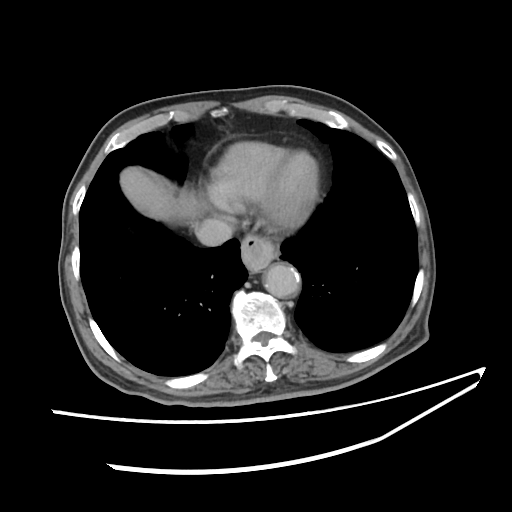
CT, abdomen/pelvis — Axial slice 86/91 — 83-year-old male patient — acquired on Aquilion ONE
{"organs":{"esophagus":[241,239,281,272],"liver":[120,167,200,224],"aorta":[264,261,302,299],"inferior vena cava":[195,217,233,245]}}